CT, abdomen/pelvis — axial view — 512x512 px — 48-year-old male patient
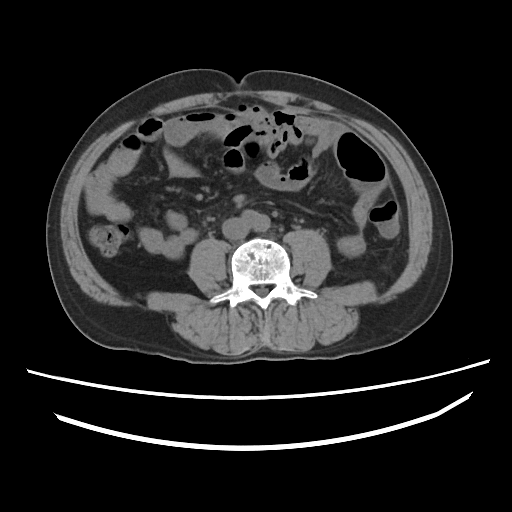 {"organs":{"inferior vena cava":[222,217,249,239]}}